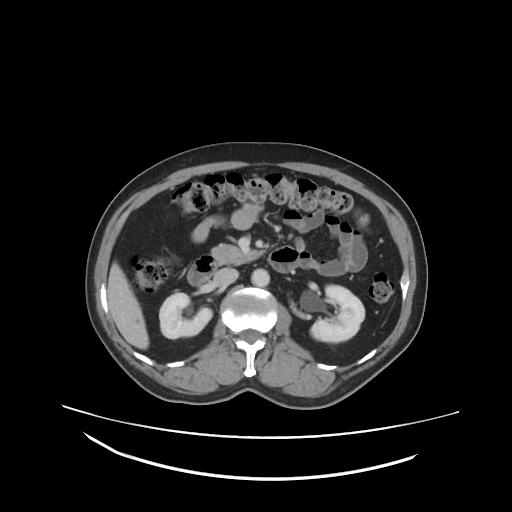 CT abdomen · axial view · 512x512 px · scan has 15 labeled organs (counted over the whole 3D scan, not this slice; an organ is boxed only where this slice passes through it)
Boxes: x1 y1 x2 y2 (pixel coords, space-separated).
duodenum: 186 244 299 285
inferior vena cava: 214 268 238 288
pancreas: 210 245 263 265
aorta: 250 268 270 286
left kidney: 310 284 365 342
liver: 108 262 148 350
right kidney: 160 292 213 338